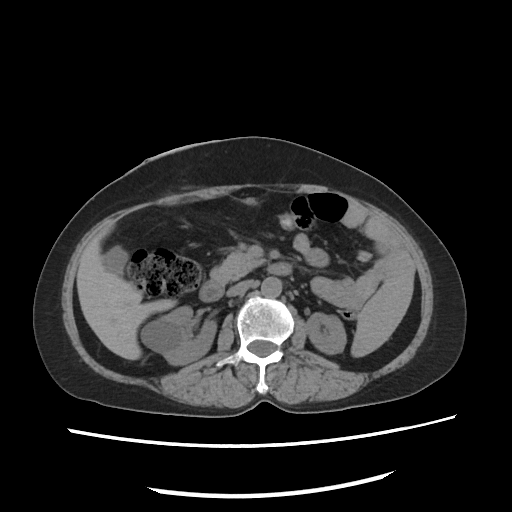

Abdominal CT. Axial slice 59/88. 512x512 px. 56-year-old female patient. 15 organs annotated in this scan (that count is for the whole scan; organs this slice misses have no box)
{"organs":{"spleen":[352,275,415,356],"right kidney":[141,307,217,364],"left kidney":[307,313,346,354],"gall bladder":[101,248,127,272],"liver":[76,225,169,360],"aorta":[260,277,281,296],"inferior vena cava":[224,281,250,297],"pancreas":[212,252,262,284],"duodenum":[198,262,289,301]}}